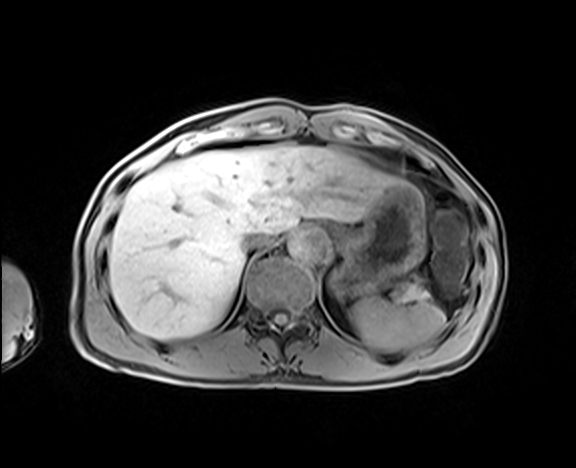 Abdominal MRI · axial view · 576x468 px
Box edges are left/top/right/bottom in pixels.
spleen: left=351, top=300, right=445, bottom=350
liver: left=108, top=144, right=403, bottom=339
stomach: left=332, top=184, right=425, bottom=298
aorta: left=288, top=229, right=328, bottom=262
inferior vena cava: left=242, top=231, right=270, bottom=252
pancreas: left=392, top=282, right=431, bottom=302